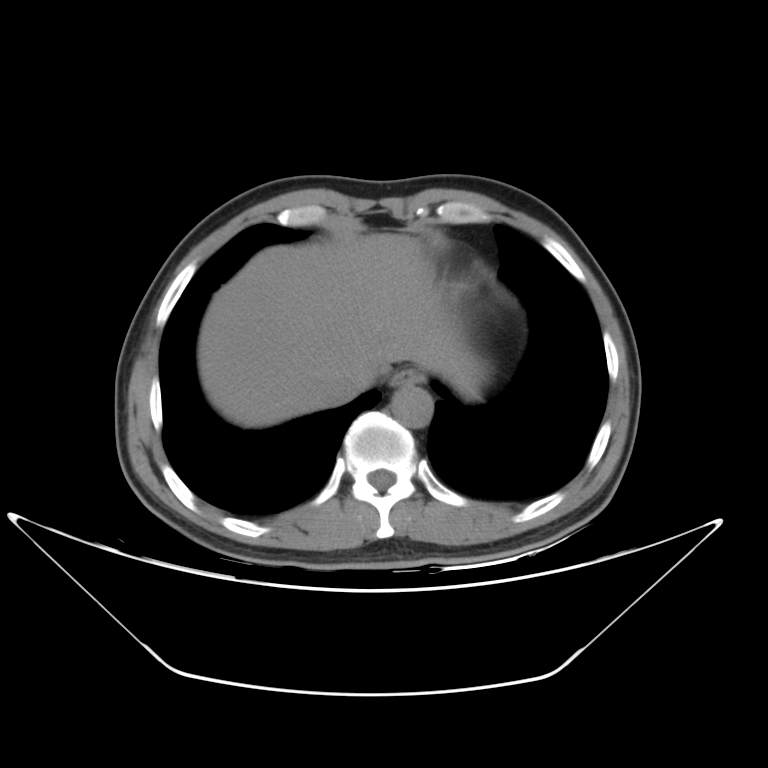
CT, abdomen/pelvis; axial plane, index 93; W/L 400/40 HU; Brilliance16 scanner; 15 organs annotated in this scan (that count is for the whole scan; organs this slice misses have no box)
Organ boxes in pixel coordinates; each row gives the top-left (x1, y1) and bottom-right (x2, y2) corners.
| organ | x1 | y1 | x2 | y2 |
|---|---|---|---|---|
| esophagus | 390 | 370 | 425 | 386 |
| inferior vena cava | 325 | 376 | 355 | 400 |
| aorta | 390 | 384 | 433 | 428 |
| liver | 200 | 233 | 482 | 426 |